Abdominal MR. axial view. 1st–99th percentile window. 320x260 px. scan has 13 labeled organs (counted over the whole 3D scan, not this slice; an organ is boxed only where this slice passes through it)
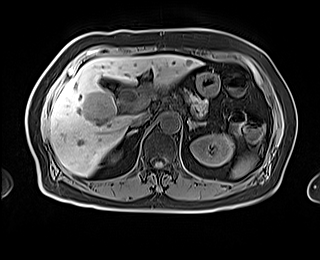
{"organs":{"spleen":[231,155,256,178],"right kidney":[111,154,117,161],"left kidney":[190,134,233,166],"gall bladder":[101,80,113,90],"liver":[49,55,202,176],"stomach":[196,72,219,95],"aorta":[160,113,180,132],"inferior vena cava":[130,113,150,127],"pancreas":[186,92,208,115],"right adrenal gland":[127,130,136,137],"left adrenal gland":[189,121,206,129]}}